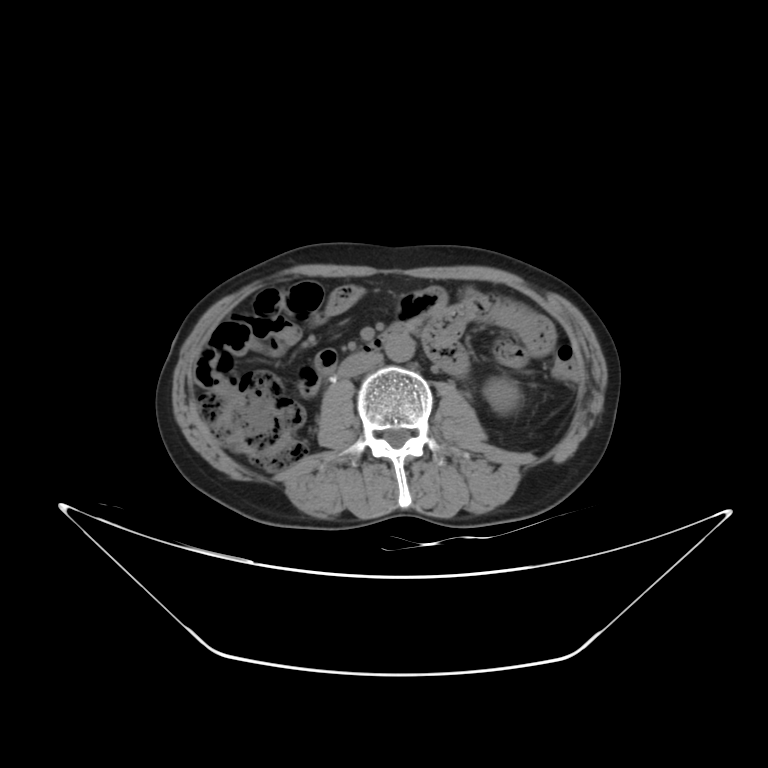
CT abdomen. Axial slice 56/100. soft-tissue window. 768x768 px. 52-year-old male patient. acquired on Brilliance16. scan has 14 labeled organs (that count is for the whole scan; organs this slice misses have no box)
Each box given as x1,y1,x2,y2.
left kidney: x1=484, y1=377, x2=521, y2=413
aorta: x1=384, y1=332, x2=414, y2=362
inferior vena cava: x1=339, y1=351, x2=382, y2=377
duodenum: x1=364, y1=319, x2=413, y2=350